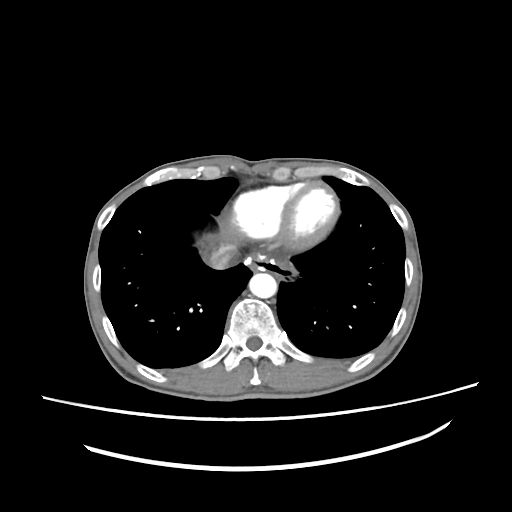 Abdominal CT — axial view — soft-tissue window — 50-year-old male patient
<organs><organ name="esophagus" x1="247" y1="254" x2="277" y2="270"/><organ name="liver" x1="204" y1="228" x2="237" y2="247"/><organ name="stomach" x1="274" y1="265" x2="292" y2="276"/><organ name="aorta" x1="249" y1="272" x2="276" y2="298"/><organ name="inferior vena cava" x1="205" y1="245" x2="237" y2="269"/></organs>